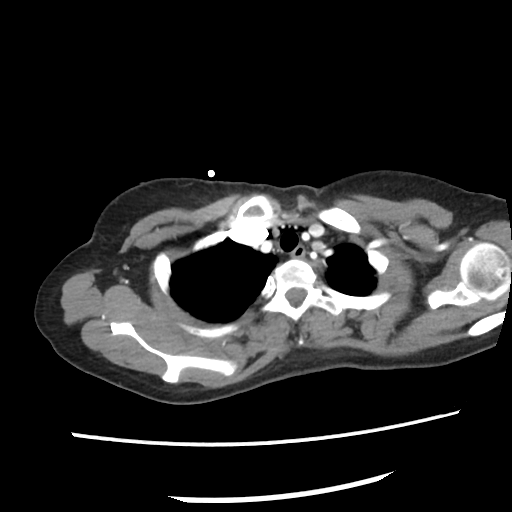

Chest-level slice from an abdominal CT that extends up into the chest; axial view; soft-tissue window (W 400 / L 40); 15 organs annotated in this scan (that count is for the whole scan; organs this slice misses have no box)
On a slice this high in the chest, this dataset labels only the esophagus and the aorta, and each is boxed only where it is labeled; the heart, lungs and other chest structures are not labeled.
Boxes: x1:y1:x2:y2 in pixels.
Organ bounding boxes:
- esophagus: 290:247:305:259